CT, abdomen/pelvis. axial view. 768x768 px
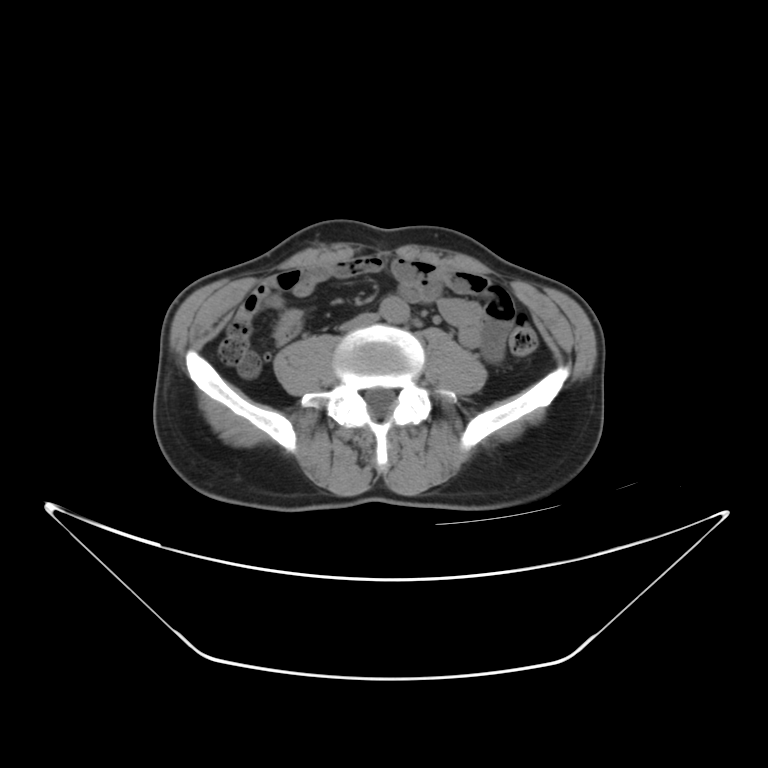 Boxes: x1:y1:x2:y2 in pixels. Labeled organs on this slice: aorta at 381:297:411:323, inferior vena cava at 342:312:381:332.